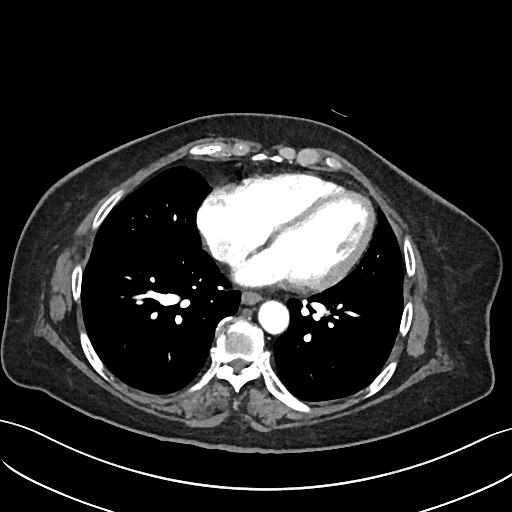
Abdominal CT; this slice is in the lower chest, just above the liver; axial view; 15 organs annotated in this scan (a whole-scan count: organs this slice does not pass through have no box)
No part of the heart or lungs is labeled in this dataset, so neither has a box here.
Each box given as x1,y1,x2,y2.
Organ bounding boxes:
- esophagus: x1=241, y1=293, x2=261, y2=306
- aorta: x1=258, y1=302, x2=289, y2=335